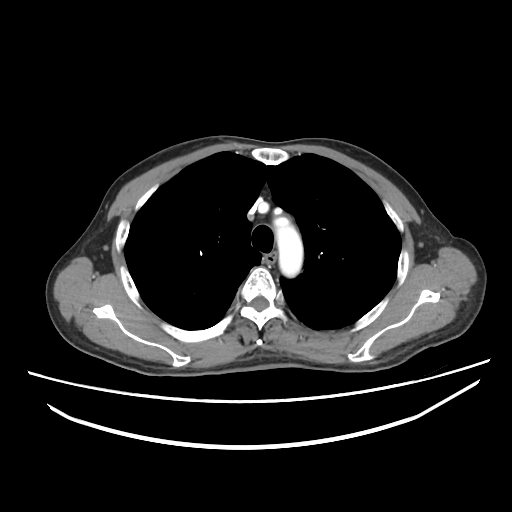 Abdominal CT reaching into the chest; this slice is in the chest; axial view
On a slice this high in the chest, this dataset labels only the esophagus and the aorta, and each is boxed only where it is labeled; the heart, lungs and other chest structures are not labeled.
Organ boxes in pixel coordinates; each row gives the top-left (x1, y1) and bottom-right (x2, y2) corners.
| organ | x1 | y1 | x2 | y2 |
|---|---|---|---|---|
| esophagus | 263 | 252 | 275 | 262 |
| aorta | 274 | 217 | 303 | 277 |